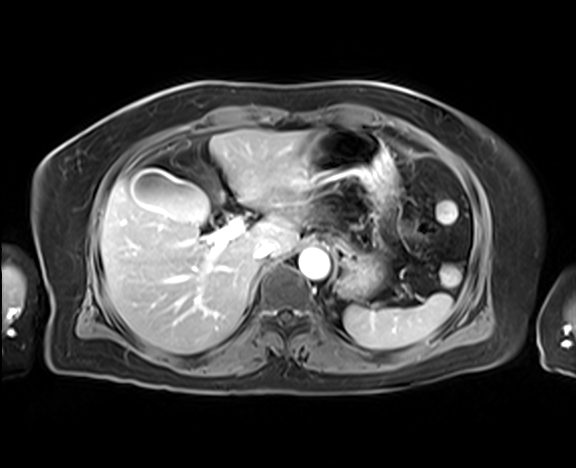

Abdominal MR — Axial slice 47/72 — 1st–99th percentile window
<organs><organ name="spleen" x1="344" y1="293" x2="452" y2="349"/><organ name="gall bladder" x1="129" y1="170" x2="210" y2="224"/><organ name="liver" x1="100" y1="129" x2="310" y2="353"/><organ name="stomach" x1="293" y1="124" x2="397" y2="297"/><organ name="aorta" x1="298" y1="248" x2="329" y2="280"/><organ name="inferior vena cava" x1="255" y1="242" x2="275" y2="261"/></organs>